CT abdomen · Axial slice 25/167 · soft-tissue window (W 400 / L 40) · 512x512 px · 15 organs annotated in this scan (that count is for the whole scan; organs this slice misses have no box)
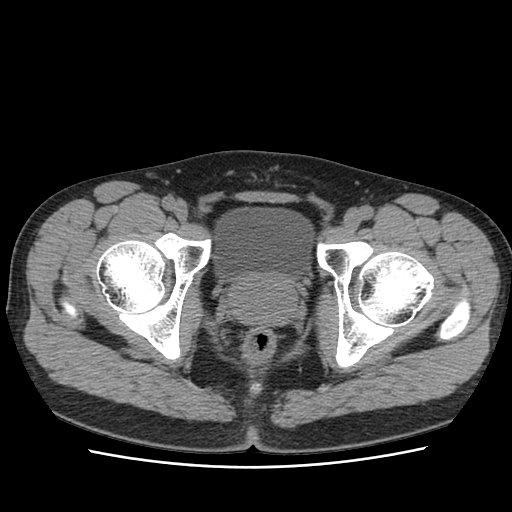

Coordinates as <box>x1,y1,x2,y2</box> in pixels.
bladder: <box>214,208,312,277</box>
prostate/uterus: <box>226,273,297,325</box>